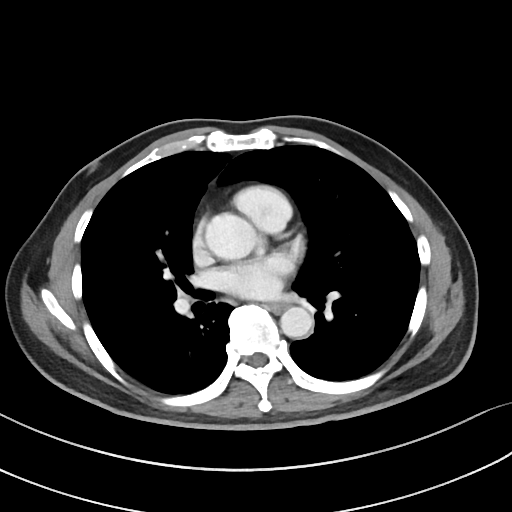

Chest-level slice from an abdominal CT that extends up into the chest · axial plane, index 94 · W/L 400/40 HU · 512x512 px
On a slice this high in the chest, this dataset labels only the esophagus and the aorta, and each is boxed only where it is labeled; the heart, lungs and other chest structures are not labeled.
<organs><organ name="esophagus" x1="267" y1="303" x2="285" y2="312"/><organ name="aorta" x1="205" y1="213" x2="255" y2="259"/><organ name="aorta" x1="280" y1="307" x2="313" y2="337"/></organs>